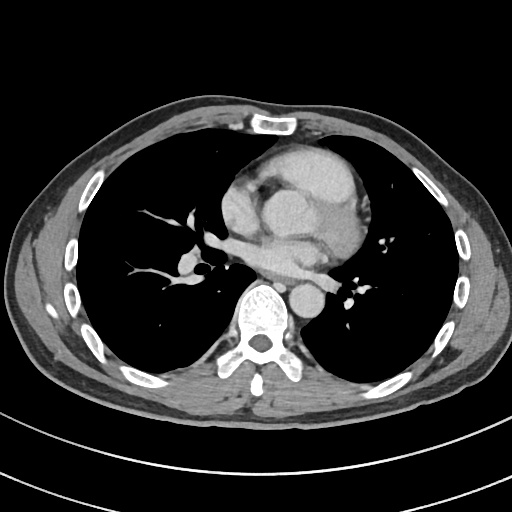

Chest-level slice from an abdominal CT that extends up into the chest — Axial slice 208/298 — 512x512 px — SOMATOM Force scanner
At this level of the chest this dataset labels only the esophagus and the aorta, and each is boxed only where it is labeled; the heart and lungs are never labeled.
One row per box, in pixels: columns x1 and y1 give the top-left corner, x2 and y2 the bottom-right.
| organ | x1 | y1 | x2 | y2 |
|---|---|---|---|---|
| esophagus | 271 | 275 | 290 | 282 |
| aorta | 289 | 283 | 324 | 317 |